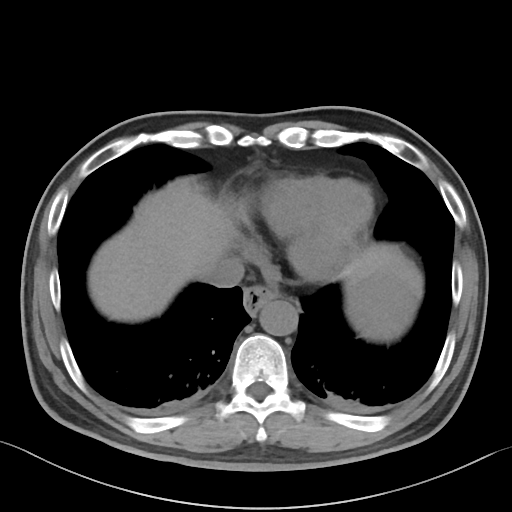
Abdominal CT; axial plane, index 90; abdomen soft-tissue window; acquired on SOMATOM Force
Each box given as x1,y1,x2,y2. Labeled organs on this slice: spleen at x1=346, y1=269, x2=416, y2=339, esophagus at x1=243, y1=285, x2=277, y2=315, liver at x1=88, y1=190, x2=422, y2=335, aorta at x1=259, y1=300, x2=298, y2=336, inferior vena cava at x1=203, y1=256, x2=244, y2=287.